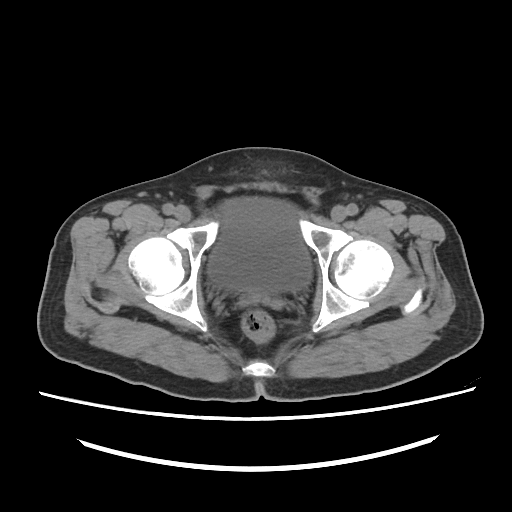 CT abdomen · axial view · soft-tissue window · Aquilion ONE scanner
<organs><organ name="bladder" x1="209" y1="198" x2="311" y2="293"/></organs>